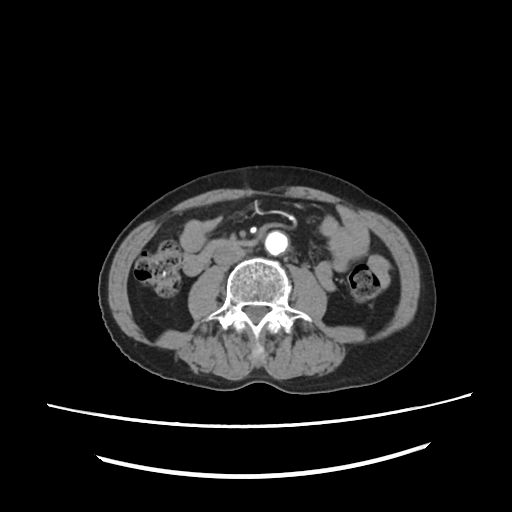 CT abdomen · axial view
Box edges are left/top/right/bottom in pixels.
Organ bounding boxes:
- duodenum: left=185, top=240, right=255, bottom=275
- inferior vena cava: left=212, top=247, right=246, bottom=266
- aorta: left=264, top=230, right=288, bottom=254